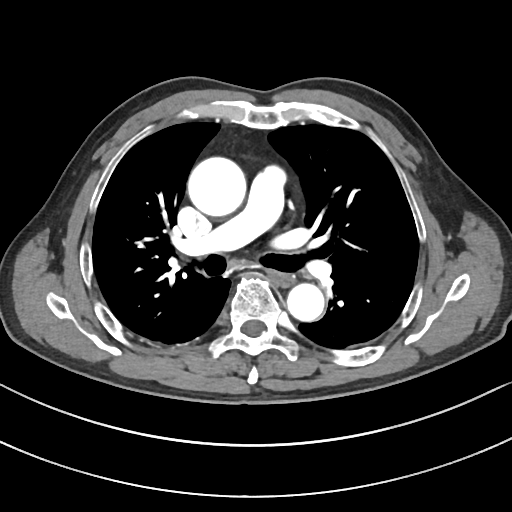
Chest-level CT slice, above the liver and spleen. axial view. 512x512 px
At this level of the chest this dataset labels only the esophagus and the aorta, and each is boxed only where it is labeled; the heart and lungs are never labeled.
Box edges are left/top/right/bottom in pixels.
Organ bounding boxes:
- esophagus: left=274, top=273, right=293, bottom=286
- aorta: left=188, top=157, right=246, bottom=216
- aorta: left=287, top=282, right=324, bottom=321